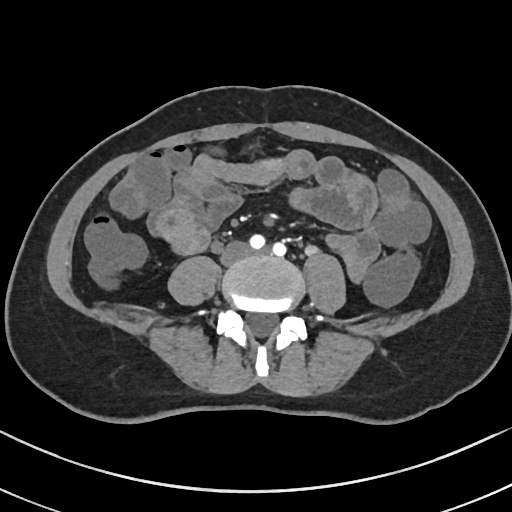 CT abdomen · axial plane, index 122
Box edges are left/top/right/bottom in pixels.
inferior vena cava: left=221, top=240, right=251, bottom=263